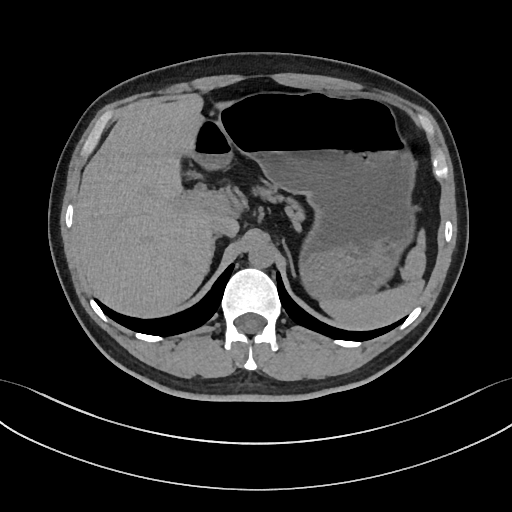
CT, abdomen/pelvis; axial view; 512x512 px; SOMATOM Force scanner
Organ boxes in pixel coordinates; each row gives the top-left (x1, y1) and bottom-right (x2, y2) corners.
| organ | x1 | y1 | x2 | y2 |
|---|---|---|---|---|
| pancreas | 255 | 187 | 303 | 221 |
| right adrenal gland | 210 | 236 | 218 | 256 |
| liver | 73 | 95 | 232 | 317 |
| spleen | 320 | 230 | 425 | 329 |
| aorta | 248 | 242 | 274 | 268 |
| stomach | 192 | 93 | 416 | 298 |
| inferior vena cava | 211 | 217 | 238 | 237 |
| left adrenal gland | 284 | 244 | 294 | 275 |